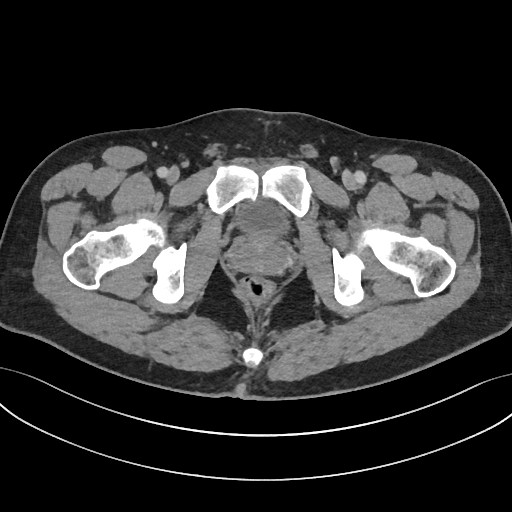 Abdominal CT; Axial slice 25/345; soft-tissue window; 512x512 px; acquired on SOMATOM Force
{"organs":{"bladder":[237,200,290,237],"prostate/uterus":[230,235,286,275]}}